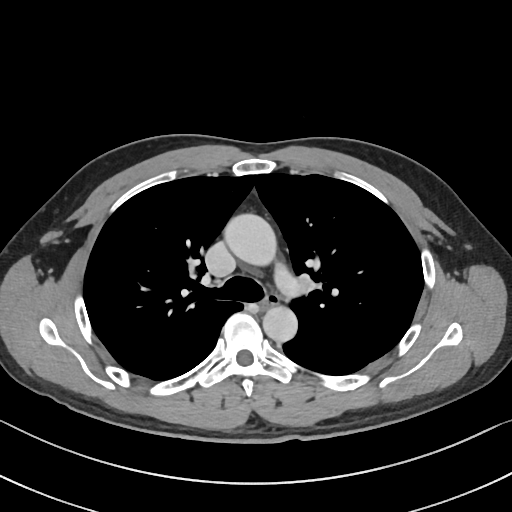

Abdominal CT reaching into the chest; this slice is in the chest — axial plane, index 240 — 512x512 px — acquired on SOMATOM Force
At this level of the chest no structure but the esophagus and the aorta has a label in this dataset, and those two are boxed only where they are labeled. Box edges are left/top/right/bottom in pixels. The annotated organs in this slice are: esophagus at left=260, top=294, right=278, bottom=309, aorta at left=223, top=213, right=274, bottom=263, aorta at left=262, top=306, right=297, bottom=343.